CT, abdomen/pelvis · axial view · soft-tissue window (W 400 / L 40) · 512x512 px
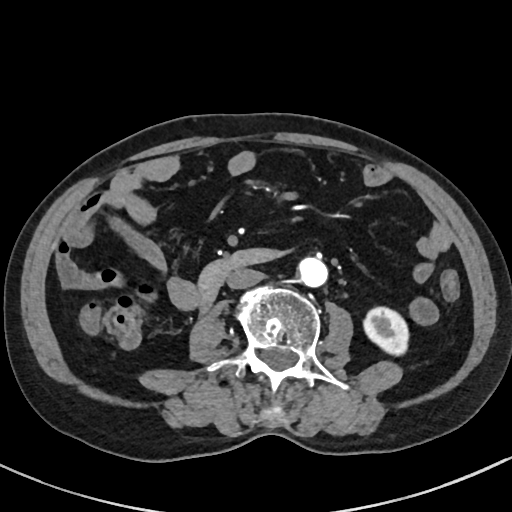
<organs><organ name="left kidney" x1="363" y1="306" x2="410" y2="354"/><organ name="aorta" x1="299" y1="257" x2="328" y2="288"/><organ name="inferior vena cava" x1="227" y1="268" x2="265" y2="289"/><organ name="duodenum" x1="197" y1="248" x2="282" y2="313"/></organs>